Chest-level slice from an abdominal CT that extends up into the chest; axial view; 512x512 px
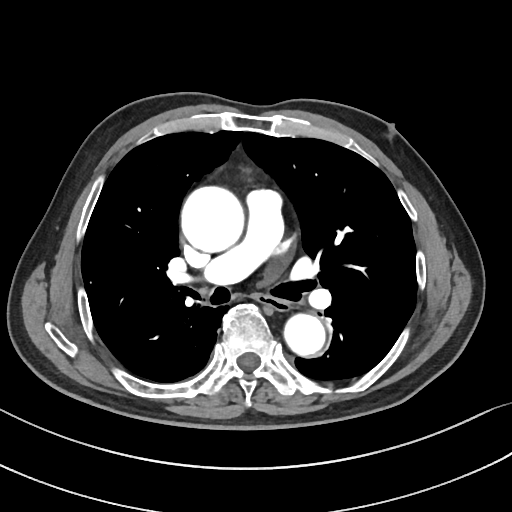 At this level of the chest no structure but the esophagus and the aorta has a label in this dataset, and those two are boxed only where they are labeled.
{"organs":{"esophagus":[257,295,290,311],"aorta":[[181,187,244,252],[284,314,326,356]]}}